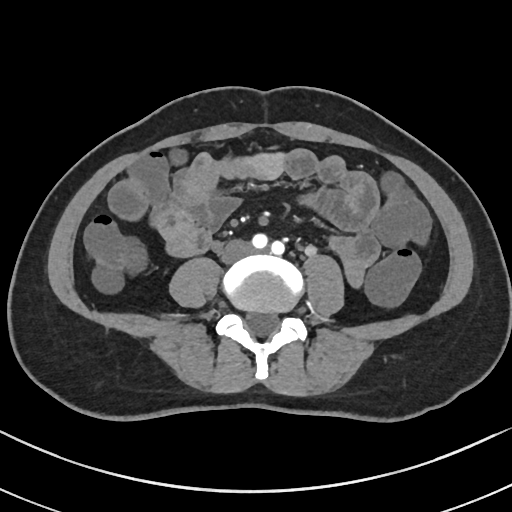
Computed tomography, abdomen. Axial slice 125/242. soft-tissue window (W 400 / L 40). 512x512 px
Bounding boxes in pixels, one row per box: x1, y1 is the top-left corner and x2, y2 the bottom-right.
| organ | x1 | y1 | x2 | y2 |
|---|---|---|---|---|
| inferior vena cava | 221 | 240 | 251 | 263 |